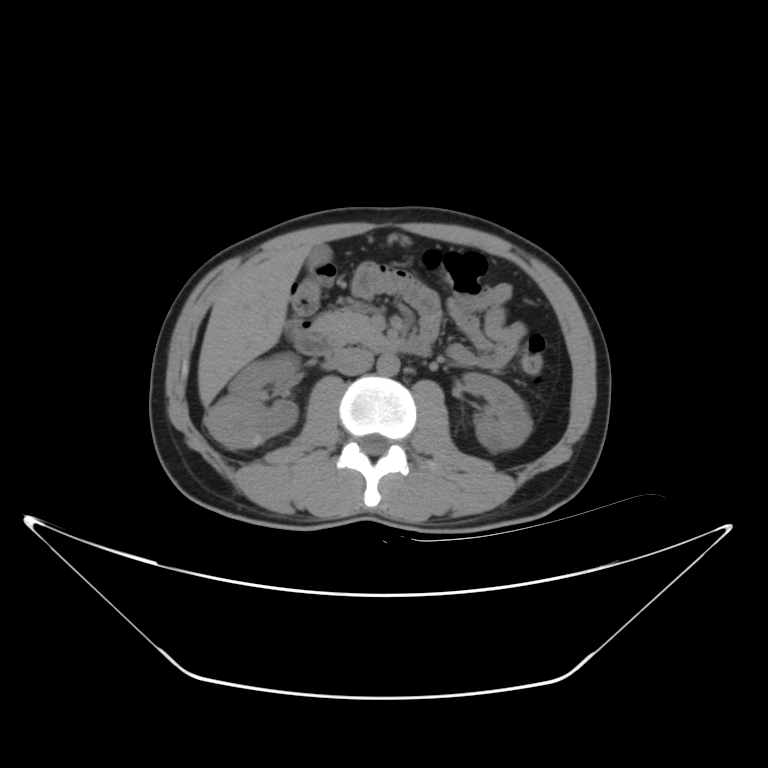

CT abdomen. axial view. soft-tissue window (W 400 / L 40). 31-year-old male patient. scan has 15 labeled organs (that count is for the whole scan; organs this slice misses have no box)
Coordinates as <box>x1,y1,x2,y2</box> in pixels.
Organ bounding boxes:
- duodenum: <box>291,330,429,356</box>
- inferior vena cava: <box>331,346,373,373</box>
- left kidney: <box>460,373,532,451</box>
- right kidney: <box>207,359,300,446</box>
- liver: <box>198,246,312,406</box>
- pancreas: <box>309,310,386,342</box>
- aorta: <box>375,353,398,376</box>
- gall bladder: <box>306,244,332,272</box>